Abdominal CT · axial plane, index 59 · abdomen soft-tissue window · acquired on Brilliance16 · 15 organs annotated in this scan (a whole-scan count: organs this slice does not pass through have no box)
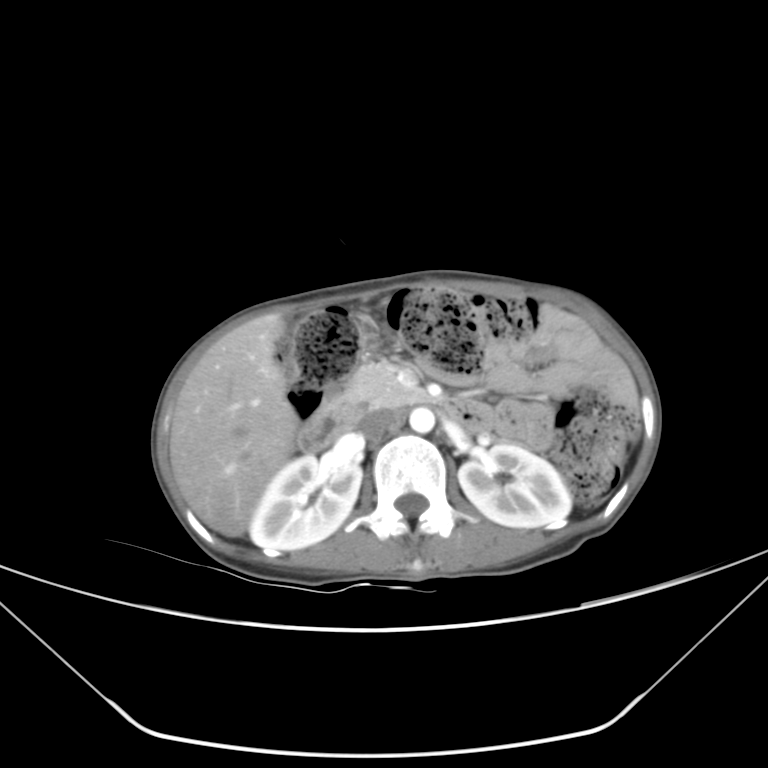

Boxes: x1:y1:x2:y2 in pixels.
Organ bounding boxes:
- right kidney: 249:453:361:550
- left kidney: 458:443:571:528
- liver: 169:314:298:536
- aorta: 409:407:434:433
- inferior vena cava: 360:410:401:437
- pancreas: 335:362:424:411
- duodenum: 297:394:491:450